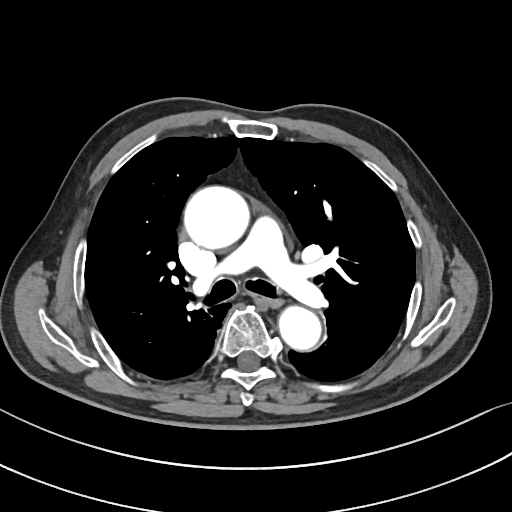
CT of the abdomen extending into the chest, slice through the chest · axial view · W/L 400/40 HU · 512x512 px · SOMATOM Force scanner
On a slice this high in the chest, this dataset labels only the esophagus and the aorta, and each is boxed only where it is labeled; the heart, lungs and other chest structures are not labeled.
Each box given as x1,y1,x2,y2.
Organ bounding boxes:
- esophagus: x1=255, y1=293, x2=282, y2=307
- aorta: x1=184, y1=186, x2=249, y2=249
- aorta: x1=279, y1=306, x2=321, y2=350